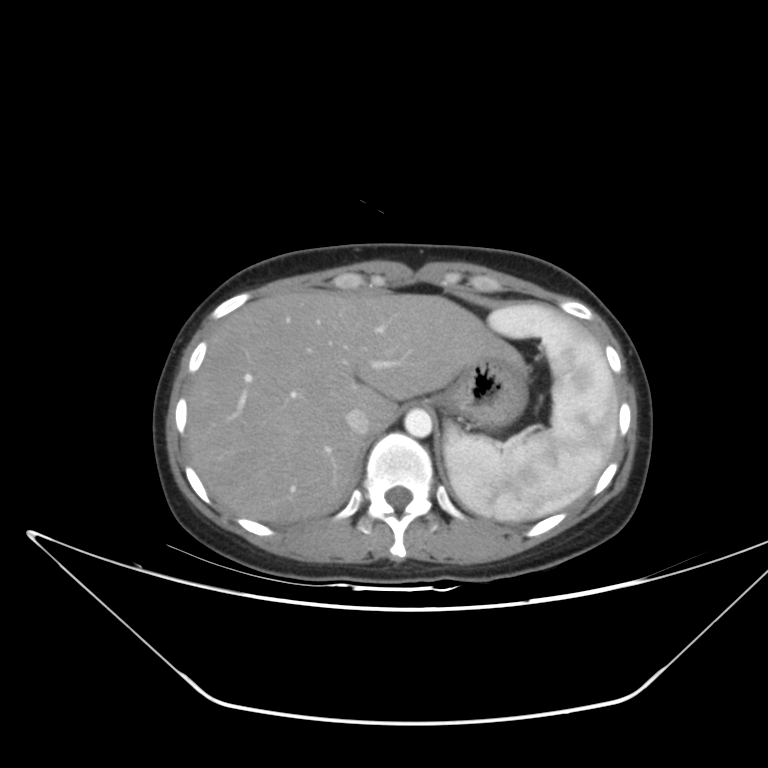
Computed tomography, abdomen — axial view
<organs><organ name="spleen" x1="443" y1="304" x2="618" y2="522"/><organ name="liver" x1="186" y1="289" x2="528" y2="523"/><organ name="stomach" x1="438" y1="356" x2="528" y2="427"/><organ name="aorta" x1="404" y1="409" x2="432" y2="437"/><organ name="inferior vena cava" x1="346" y1="408" x2="369" y2="434"/></organs>